CT abdomen — Axial slice 228/353 — W/L 400/40 HU — SOMATOM Force scanner
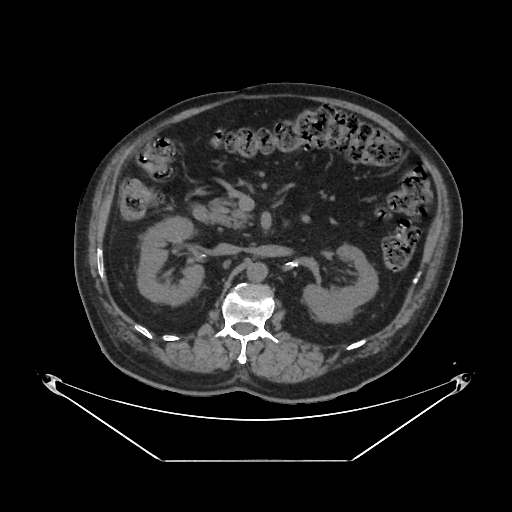

{"organs":{"right kidney":[137,215,203,304],"left kidney":[303,244,377,322],"aorta":[247,262,268,281],"inferior vena cava":[215,243,240,253],"pancreas":[209,197,246,228],"duodenum":[192,205,210,221]}}